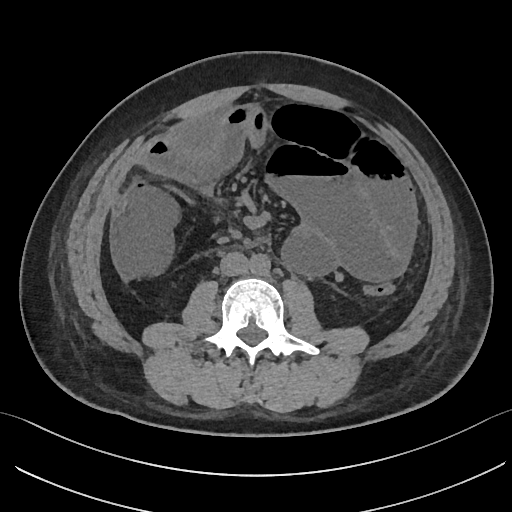
CT abdomen · Axial slice 122/234 · abdomen soft-tissue window · 512x512 px
<organs><organ name="aorta" x1="249" y1="253" x2="270" y2="276"/><organ name="inferior vena cava" x1="219" y1="252" x2="248" y2="276"/></organs>